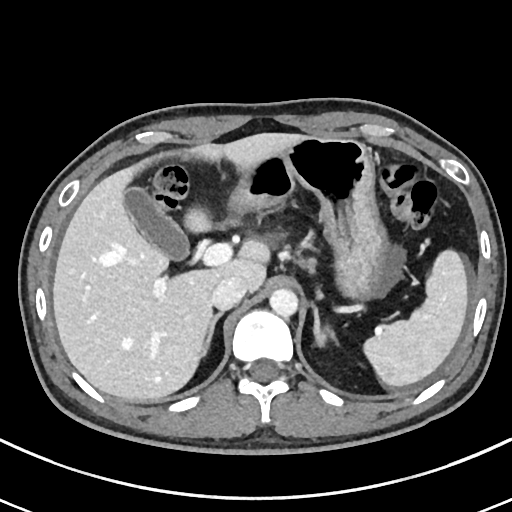
CT abdomen — axial view — soft-tissue window — 15 organs annotated in this scan (that count is for the whole scan; organs this slice misses have no box)
Box edges are left/top/right/bottom in pixels. 8 labeled organs on this slice — spleen at left=363, top=249, right=468, bottom=386; gall bladder at left=124, top=187, right=189, bottom=260; liver at left=52, top=132, right=305, bottom=401; stomach at left=228, top=136, right=388, bottom=298; aorta at left=269, top=288, right=297, bottom=317; inferior vena cava at left=211, top=276, right=246, bottom=310; right adrenal gland at left=203, top=312, right=222, bottom=355; left adrenal gland at left=312, top=304, right=336, bottom=346.